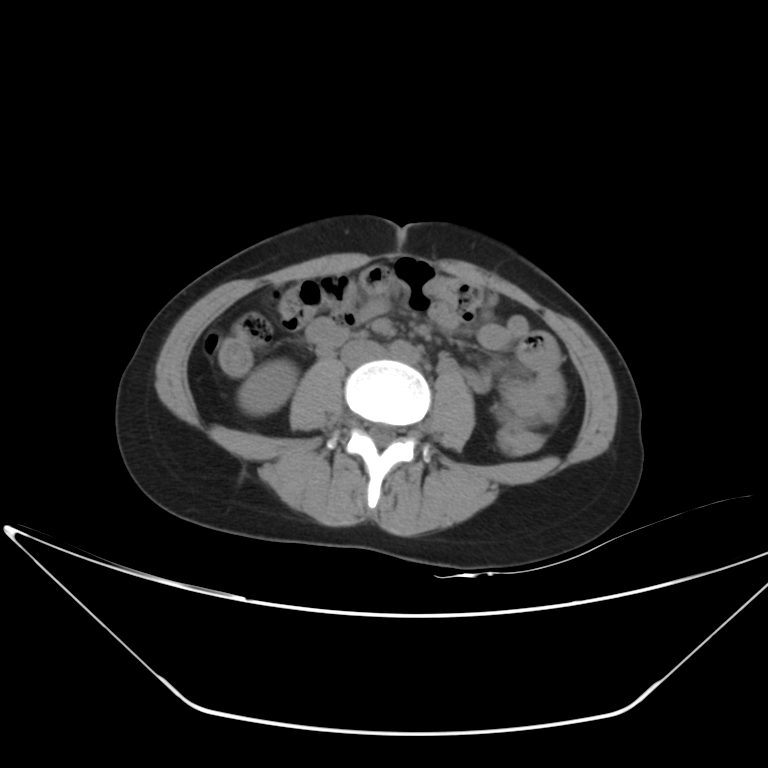
Abdominal CT · Axial slice 43/81 · soft-tissue window (W 400 / L 40) · 768x768 px · 28-year-old female patient · Brilliance16 scanner
Bounding boxes as [x1, y1, x2, y2] in pixel coordinates.
aorta: [389, 340, 419, 362]
right kidney: [238, 360, 297, 414]
inferior vena cava: [340, 340, 385, 365]